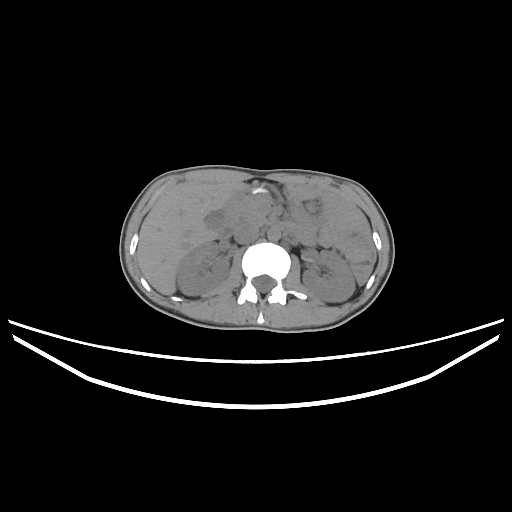
Abdominal CT · Axial slice 62/85
{"organs":{"gall bladder":[205,210,224,230],"duodenum":[218,211,235,238],"pancreas":[232,195,268,224],"aorta":[267,227,280,240],"right kidney":[176,242,229,295],"inferior vena cava":[233,223,259,243],"left kidney":[302,250,355,302],"liver":[137,181,243,294]}}